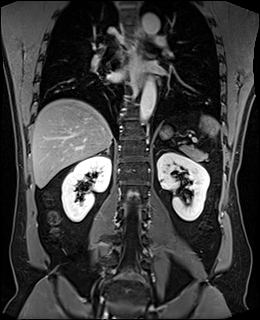

Magnetic resonance imaging, abdomen; coronal view
Each box given as x1,y1,x2,y2.
spleen: x1=200, y1=115, x2=219, y2=136
right kidney: x1=61, y1=155, x2=111, y2=221
left kidney: x1=157, y1=152, x2=209, y2=221
esophagus: x1=131, y1=29, x2=144, y2=56
esophagus: x1=136, y1=71, x2=143, y2=89
liver: x1=31, y1=98, x2=112, y2=188
stomach: x1=161, y1=127, x2=171, y2=138
aorta: x1=139, y1=77, x2=156, y2=124
aorta: x1=142, y1=13, x2=159, y2=34
pancreas: x1=179, y1=144, x2=206, y2=160
right adrenal gland: x1=99, y1=147, x2=109, y2=154